CT abdomen; axial view; 768x768 px; acquired on Brilliance16
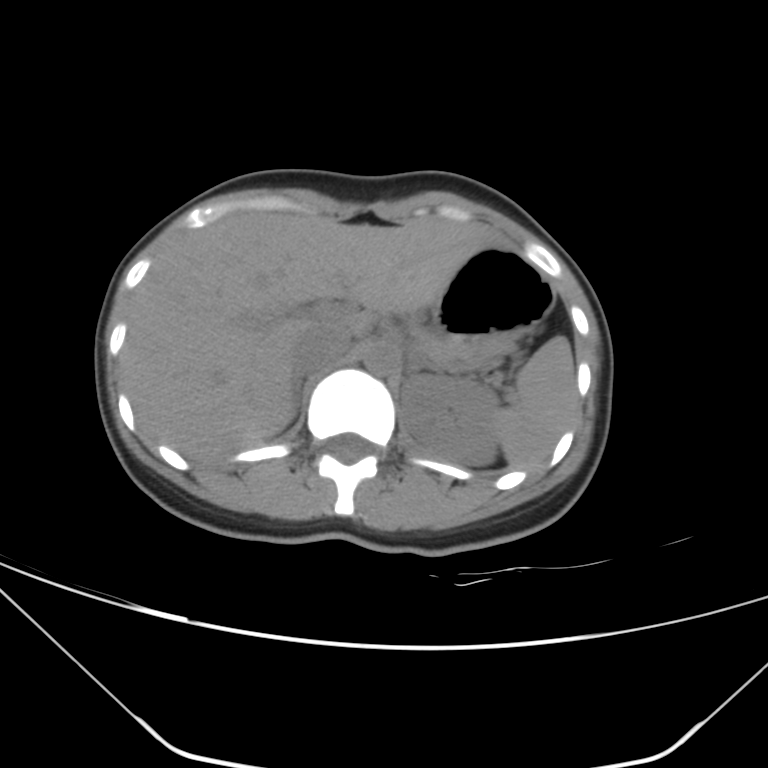 Each box given as x1,y1,x2,y2.
spleen: x1=495, y1=335, x2=577, y2=468
left kidney: x1=400, y1=375, x2=498, y2=465
liver: x1=121, y1=211, x2=516, y2=460
stomach: x1=431, y1=245, x2=555, y2=361
aorta: x1=364, y1=343, x2=398, y2=375
inferior vena cava: x1=292, y1=324, x2=351, y2=377
pancreas: x1=426, y1=342, x2=474, y2=367
right adrenal gland: x1=290, y1=378, x2=301, y2=422
left adrenal gland: x1=406, y1=348, x2=442, y2=379